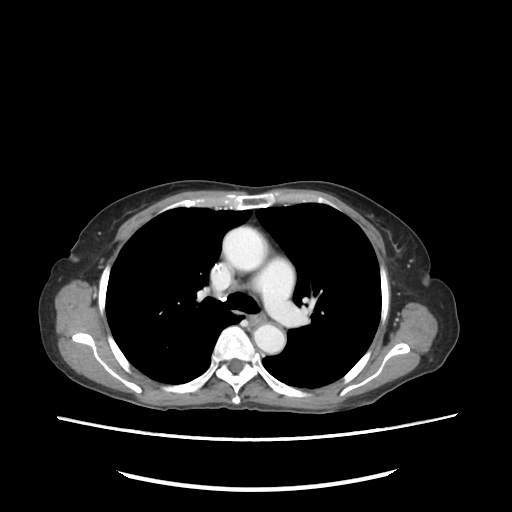

Chest-level slice from an abdominal CT that extends up into the chest. axial plane, index 102. 73-year-old female patient
At this level of the chest this dataset labels only the esophagus and the aorta, and each is boxed only where it is labeled; the heart and lungs are never labeled.
Bounding boxes in pixels, one row per box: x1, y1 is the top-left corner and x2, y2 the bottom-right.
| organ | x1 | y1 | x2 | y2 |
|---|---|---|---|---|
| aorta | 224 | 227 | 267 | 270 |
| aorta | 255 | 324 | 286 | 352 |